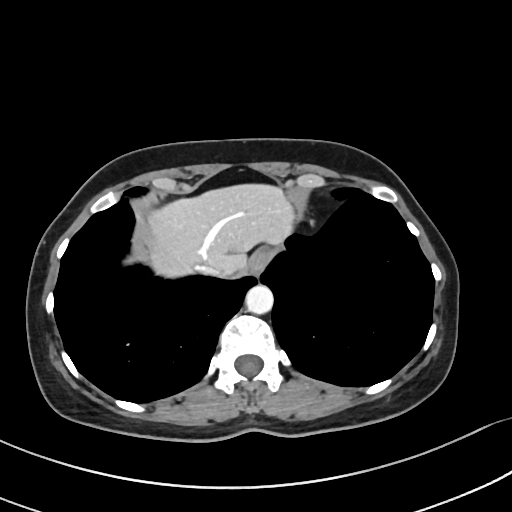

CT, abdomen/pelvis. Axial slice 165/175. W/L 400/40 HU. 512x512 px
Coordinates as <box>x1,y1,x2,y2</box> in pixels.
esophagus: <box>250,247,269,274</box>
liver: <box>146,182,295,276</box>
aorta: <box>245,285,273,313</box>
inferior vena cava: <box>193,263,225,278</box>